Abdominal CT — axial view — W/L 400/40 HU — 512x512 px
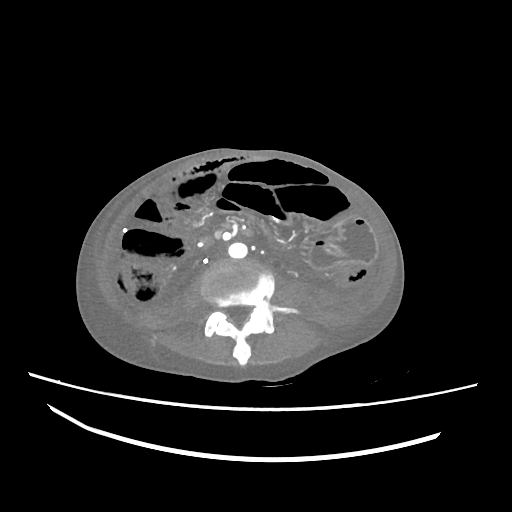 Each box given as x1,y1,x2,y2.
aorta: x1=228, y1=242, x2=247, y2=258
inferior vena cava: x1=212, y1=251, x2=227, y2=260